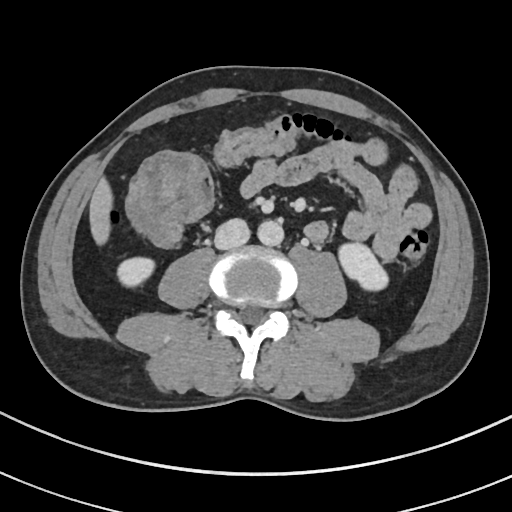

Computed tomography, abdomen. axial plane, index 98. 512x512 px
{"organs":{"right kidney":[117,257,154,287],"left kidney":[338,242,388,290],"liver":[89,178,112,244],"aorta":[257,220,283,246],"inferior vena cava":[214,218,250,249]}}